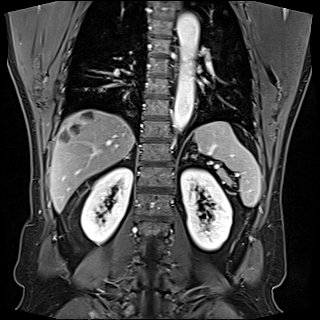

Abdominal MRI — coronal plane, index 17 — 320x320 px
Box edges are left/top/right/bottom in pixels.
aorta: left=173, top=12, right=198, bottom=131
right adrenal gland: left=127, top=155, right=130, bottom=157
right kidney: left=81, top=167, right=132, bottom=243
liver: left=49, top=109, right=134, bottom=212
left kidney: left=181, top=168, right=232, bottom=250
spleen: left=194, top=121, right=261, bottom=206
pancreas: left=214, top=170, right=232, bottom=185